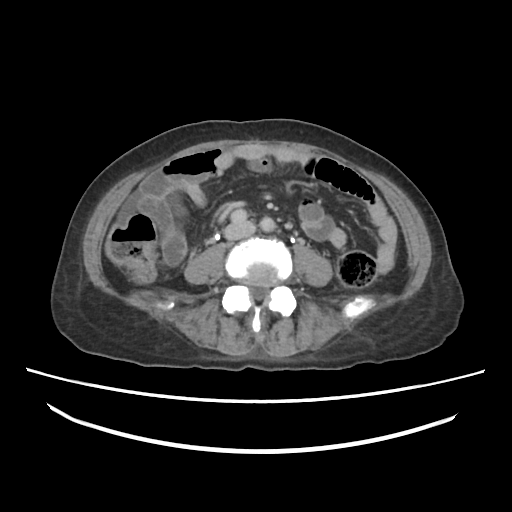
Computed tomography, abdomen. axial plane, index 43. W/L 400/40 HU
<organs><organ name="inferior vena cava" x1="226" y1="221" x2="252" y2="239"/></organs>